Abdominal CT — Axial slice 206/218 — soft-tissue window — acquired on SOMATOM Force
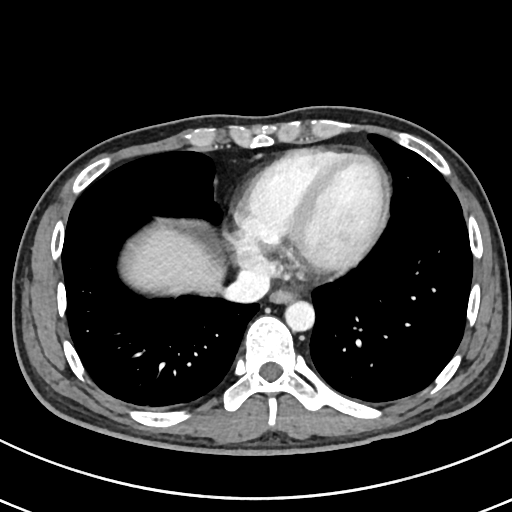
Each box given as x1,y1,x2,y2.
inferior vena cava: x1=226, y1=267, x2=270, y2=301
liver: x1=123, y1=227, x2=225, y2=291
aorta: x1=285, y1=301, x2=315, y2=331
esophagus: x1=269, y1=291, x2=294, y2=304